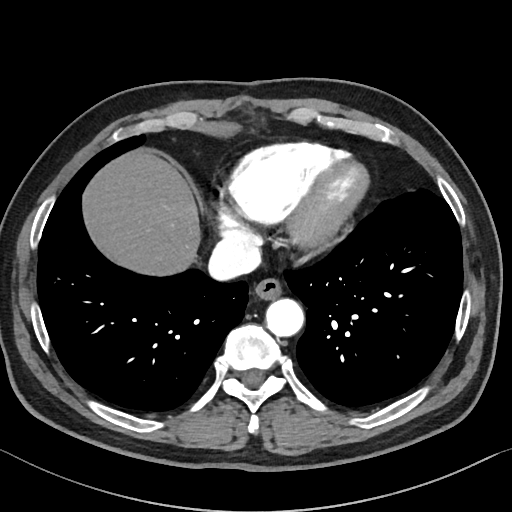
CT abdomen — axial plane, index 201 — 512x512 px — scan has 15 labeled organs (that count is for the whole scan; organs this slice misses have no box)
One row per box, in pixels: columns x1 and y1 give the top-left corner, x2 and y2 the bottom-right.
| organ | x1 | y1 | x2 | y2 |
|---|---|---|---|---|
| inferior vena cava | 208 | 239 | 260 | 280 |
| liver | 82 | 149 | 201 | 276 |
| aorta | 266 | 298 | 303 | 336 |
| esophagus | 254 | 278 | 282 | 299 |